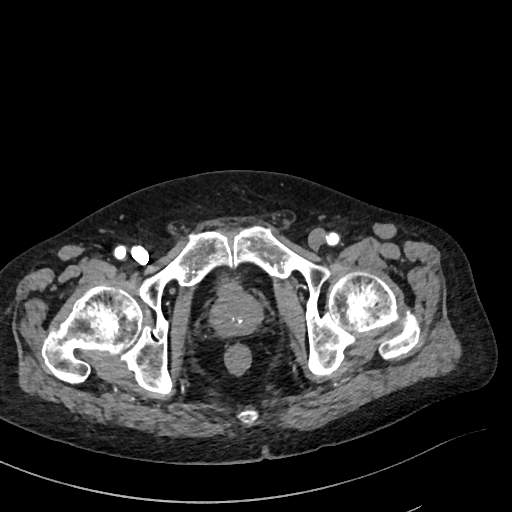 Computed tomography, abdomen — Axial slice 30/235 — 15 organs annotated in this scan (a whole-scan count: organs this slice does not pass through have no box)
Coordinates as <box>x1,y1,x2,y2</box> in pixels. 2 labeled organs on this slice — bladder at <box>219,277,237,289</box>; prostate/uterus at <box>209,288,264,334</box>.